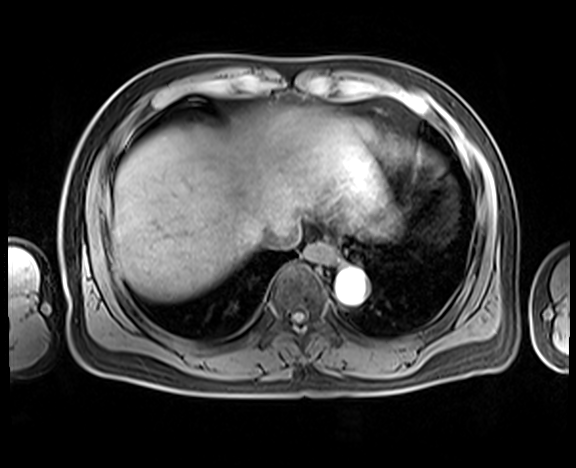
Magnetic resonance imaging, abdomen · axial view · 576x468 px · 13 organs annotated in this scan (a whole-scan count: organs this slice does not pass through have no box)
{"organs":{"esophagus":[302,242,335,263],"liver":[113,109,402,300],"aorta":[335,269,365,303],"inferior vena cava":[259,221,301,248]}}